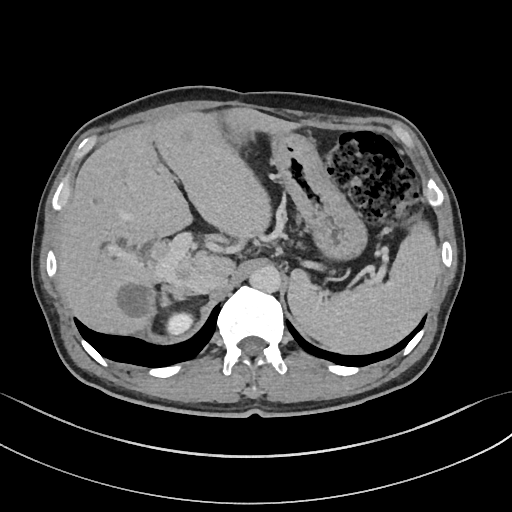 Abdominal CT; Axial slice 179/230; abdomen soft-tissue window; 512x512 px
Each box given as x1,y1,x2,y2. 7 labeled organs on this slice — inferior vena cava at x1=185, y1=271, x2=227, y2=294; stomach at x1=222, y1=122, x2=367, y2=261; liver at x1=57, y1=108, x2=299, y2=334; right adrenal gland at x1=160, y1=284, x2=190, y2=307; spleen at x1=287, y1=221, x2=439, y2=353; right kidney at x1=165, y1=312, x2=192, y2=334; aorta at x1=249, y1=265, x2=281, y2=293.